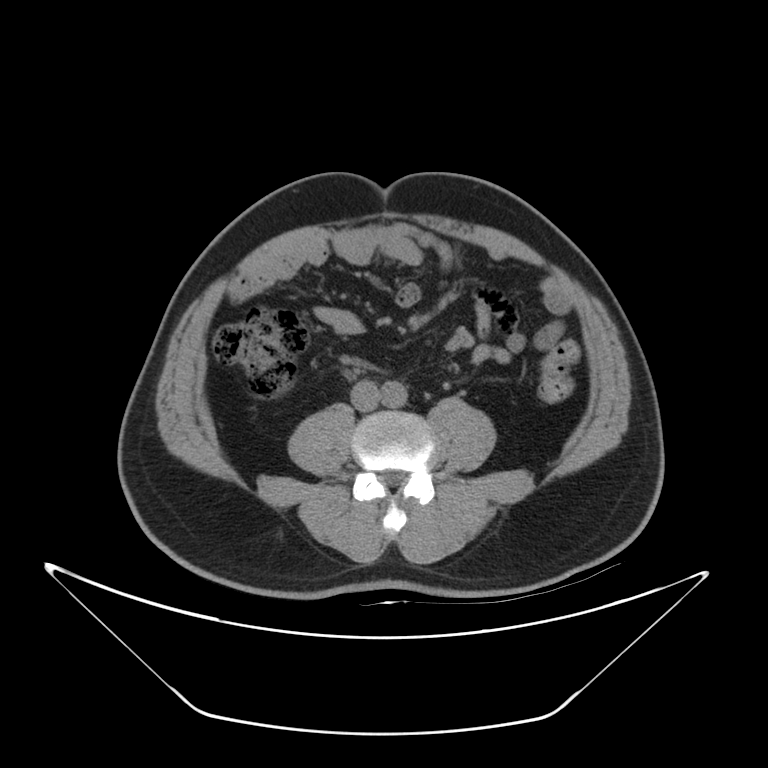 CT, abdomen/pelvis; axial view; 55-year-old male patient
One row per box, in pixels: columns x1 and y1 give the top-left corner, x2 and y2 the bottom-right.
| organ | x1 | y1 | x2 | y2 |
|---|---|---|---|---|
| aorta | 380 | 382 | 407 | 408 |
| inferior vena cava | 350 | 380 | 379 | 410 |